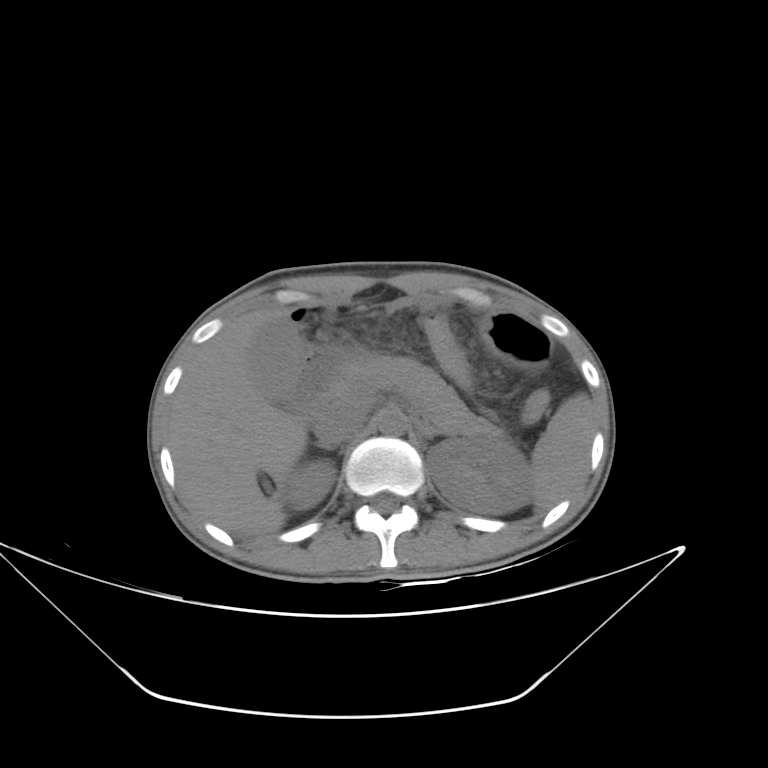

CT abdomen. axial view
Each box given as x1,y1,x2,y2.
spleen: x1=531, y1=393, x2=595, y2=512
right kidney: x1=283, y1=459, x2=336, y2=510
left kidney: x1=426, y1=438, x2=533, y2=514
gall bladder: x1=251, y1=317, x2=302, y2=395
liver: x1=168, y1=307, x2=307, y2=536
stomach: x1=480, y1=312, x2=552, y2=367
aorta: x1=377, y1=409, x2=407, y2=435
inferior vena cava: x1=313, y1=408, x2=364, y2=445
pancreas: x1=339, y1=354, x2=503, y2=438
right adrenal gland: x1=315, y1=442, x2=335, y2=451
left adrenal gland: x1=422, y1=428, x2=442, y2=439
duodenum: x1=298, y1=354, x2=335, y2=406